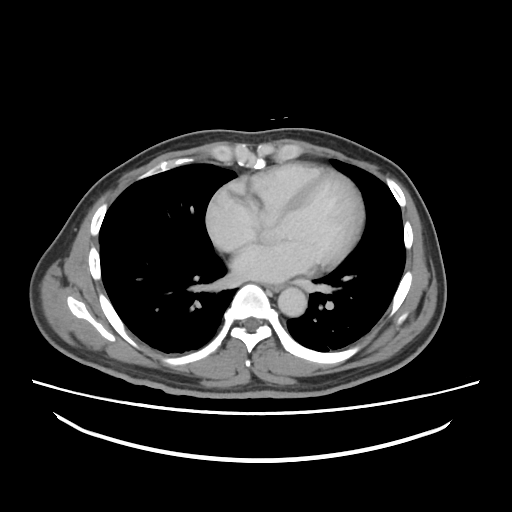

CT of the abdomen reaching into the lower chest, slice just above the liver and spleen — Axial slice 102/133 — acquired on Aquilion ONE
Of the structures in the chest, this dataset labels only the esophagus, the aorta and the inferior vena cava; the heart and lungs have no label.
Boxes: x1 y1 x2 y2 (pixel coords, space-separated).
Organ bounding boxes:
- esophagus: 266 285 283 291
- aorta: 278 287 307 316